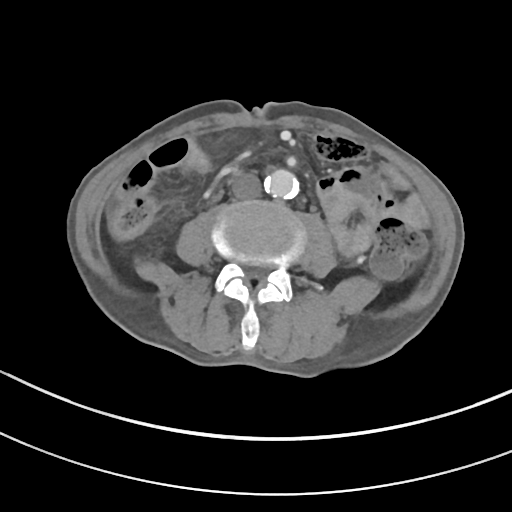 CT, abdomen/pelvis · axial view · soft-tissue window (W 400 / L 40) · 512x512 px · scan has 15 labeled organs (that count is for the whole scan; organs this slice misses have no box)
Organ boxes in pixel coordinates; each row gives the top-left (x1, y1) and bottom-right (x2, y2) corners.
| organ | x1 | y1 | x2 | y2 |
|---|---|---|---|---|
| aorta | 264 | 169 | 298 | 199 |
| inferior vena cava | 231 | 173 | 261 | 199 |